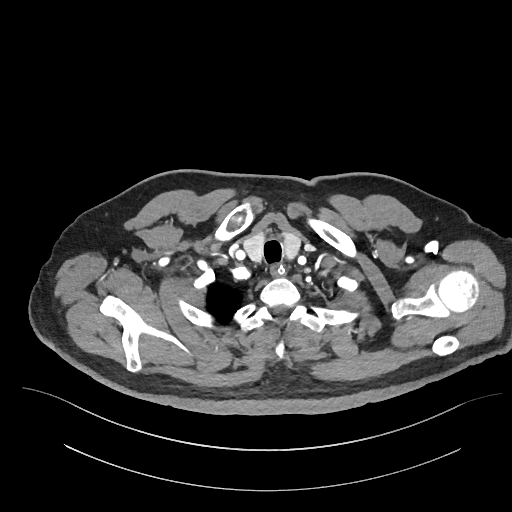
Abdominal CT reaching into the chest; this slice is in the chest · axial view · W/L 400/40 HU · 512x512 px
At this level of the chest no structure but the esophagus and the aorta has a label in this dataset, and those two are boxed only where they are labeled.
Boxes are (x1, y1, x2, y2) in pixels.
Organ bounding boxes:
- esophagus: (268, 264, 285, 275)